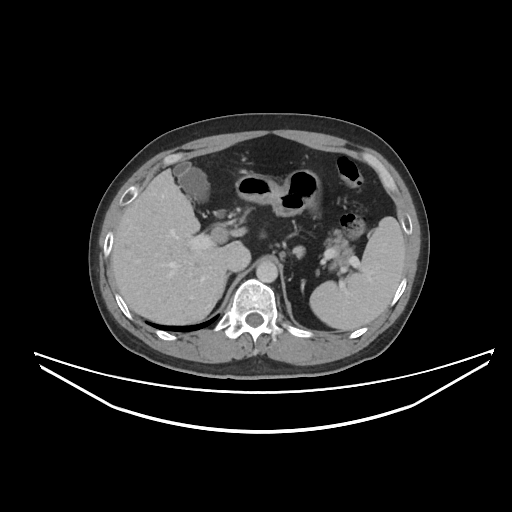
Abdominal CT · axial view · 40-year-old male patient · 15 organs annotated in this scan (a whole-scan count: organs this slice does not pass through have no box)
One row per box, in pixels: columns x1 and y1 give the top-left corner, x2 and y2 the bottom-right.
| organ | x1 | y1 | x2 | y2 |
|---|---|---|---|---|
| spleen | 309 | 216 | 405 | 330 |
| gall bladder | 173 | 161 | 209 | 201 |
| liver | 111 | 169 | 241 | 324 |
| stomach | 236 | 169 | 319 | 216 |
| aorta | 256 | 261 | 277 | 282 |
| inferior vena cava | 226 | 244 | 250 | 271 |
| pancreas | 324 | 231 | 353 | 266 |
| right adrenal gland | 225 | 273 | 230 | 286 |